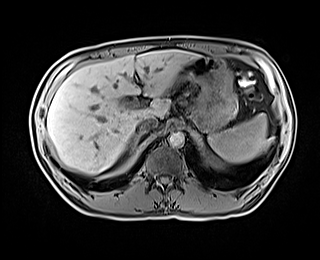

MRI, abdomen; Axial slice 53/72; 13 organs annotated in this scan (counted over the whole 3D scan, not this slice; an organ is boxed only where this slice passes through it)
Coordinates as <box>x1,y1,x2,y2</box> in pixels.
Organ bounding boxes:
- liver: <box>47,50,198,174</box>
- inferior vena cava: <box>136,117,158,133</box>
- spleen: <box>209,113,268,163</box>
- stomach: <box>173,56,237,131</box>
- right adrenal gland: <box>127,133,141,153</box>
- aorta: <box>168,132,184,147</box>